Abdominal CT — axial view — 768x768 px — 14 organs annotated in this scan (that count is for the whole scan; organs this slice misses have no box)
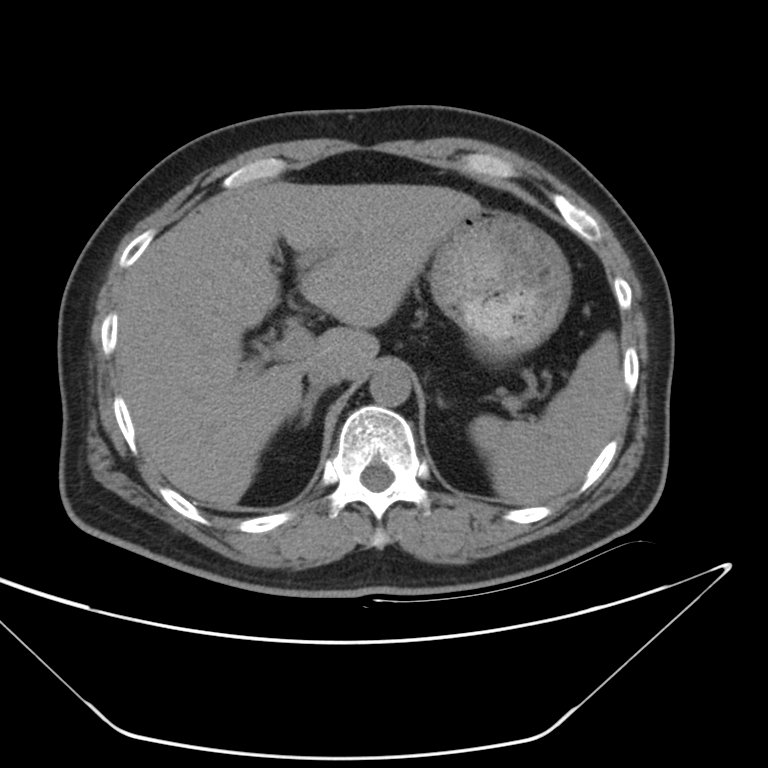

{"organs":{"spleen":[474,330,626,504],"liver":[117,181,480,509],"stomach":[432,207,571,357],"aorta":[369,365,412,407],"inferior vena cava":[306,352,353,385],"right adrenal gland":[286,387,325,424],"left adrenal gland":[436,393,447,408]}}